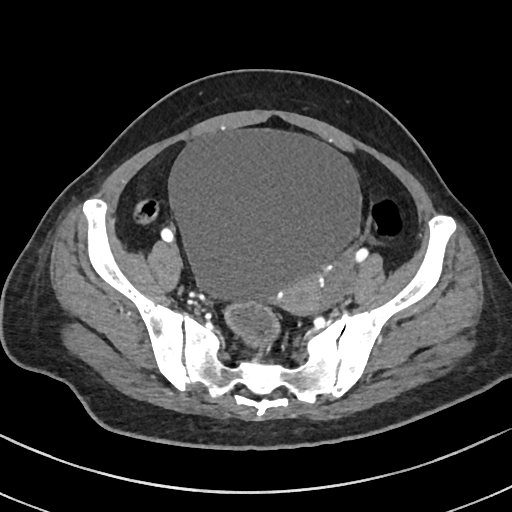
CT, abdomen/pelvis · axial view · abdomen soft-tissue window
<organs><organ name="prostate/uterus" x1="278" y1="276" x2="321" y2="315"/><organ name="bladder" x1="169" y1="125" x2="361" y2="300"/></organs>